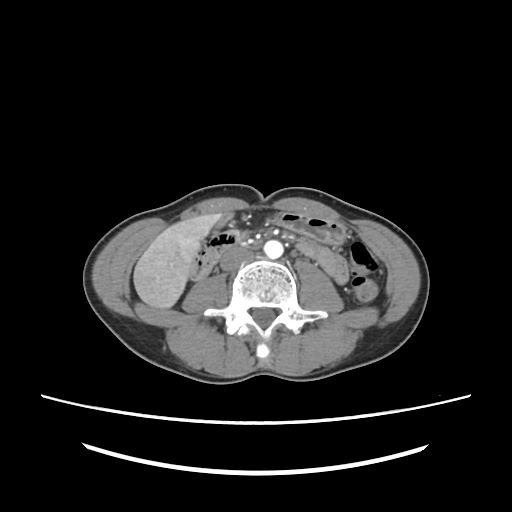

Computed tomography, abdomen; axial view; soft-tissue window (W 400 / L 40); 46-year-old male patient; Aquilion ONE scanner
{"organs":{"gall bladder":[213,213,233,228],"liver":[133,213,222,308],"stomach":[273,213,345,245],"aorta":[264,240,283,258],"inferior vena cava":[220,247,253,271]}}